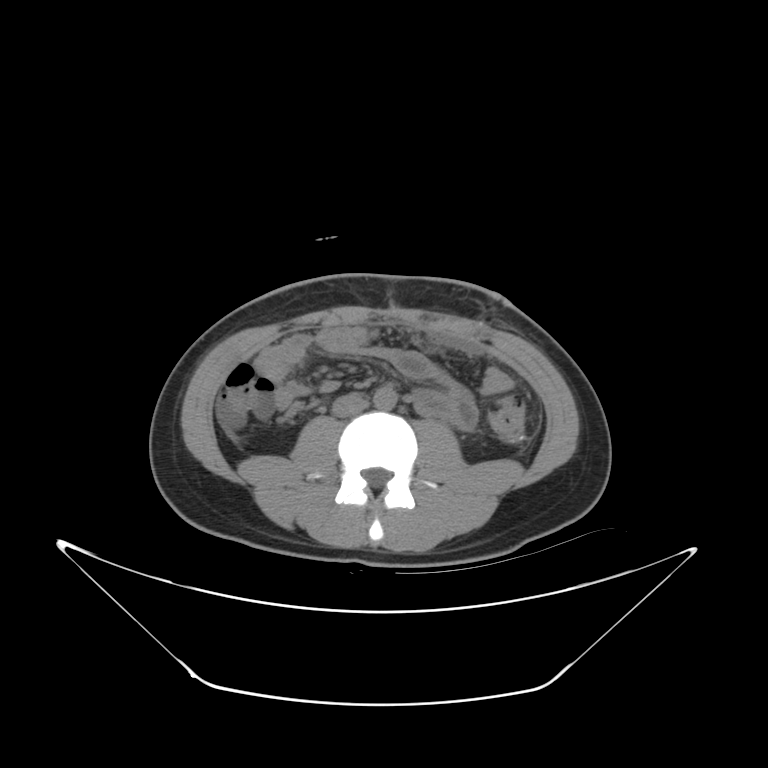 Computed tomography, abdomen; axial plane, index 56; abdomen soft-tissue window; acquired on Brilliance16
Boxes: x1 y1 x2 y2 (pixel coords, space-separated).
inferior vena cava: 333 394 367 417
aorta: 375 390 396 411